CT abdomen. axial plane, index 118. abdomen soft-tissue window
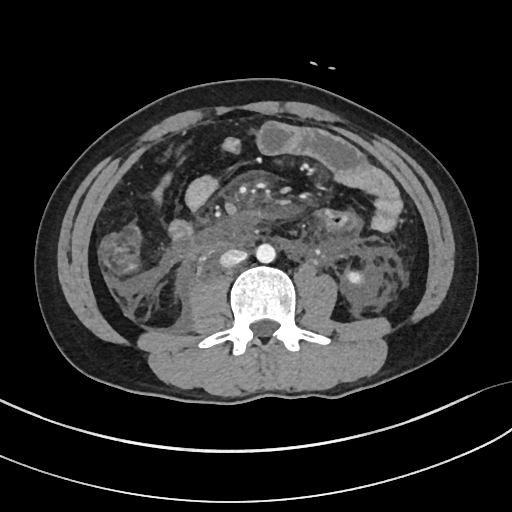 Box edges are left/top/right/bottom in pixels.
Organ bounding boxes:
- aorta: left=256, top=244, right=275, bottom=263
- inferior vena cava: left=220, top=249, right=247, bottom=267
- left kidney: left=344, top=267, right=365, bottom=286